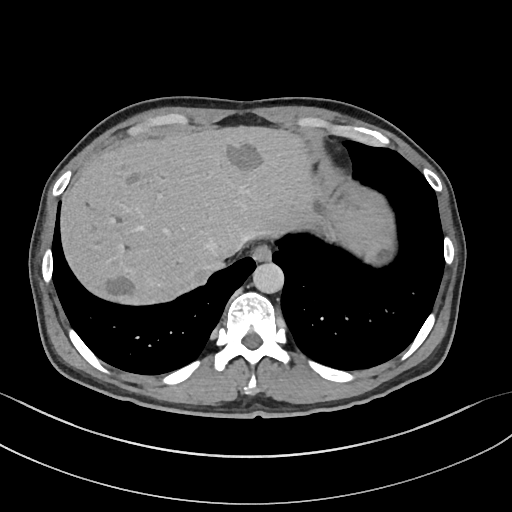

CT, abdomen/pelvis; axial plane, index 204
Each box given as x1,y1,x2,y2. The annotated organs in this slice are: esophagus at x1=252, y1=245, x2=271, y2=261, liver at x1=59, y1=124, x2=395, y2=304, aorta at x1=252, y1=262, x2=283, y2=293, inferior vena cava at x1=206, y1=258, x2=223, y2=273.